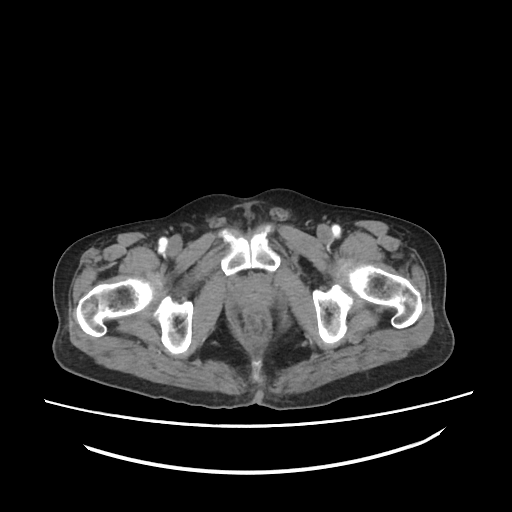

CT, abdomen/pelvis; Axial slice 13/135; 512x512 px
One row per box, in pixels: columns x1 and y1 give the top-left corner, x2 and y2 the bottom-right.
| organ | x1 | y1 | x2 | y2 |
|---|---|---|---|---|
| prostate/uterus | 233 | 280 | 272 | 311 |